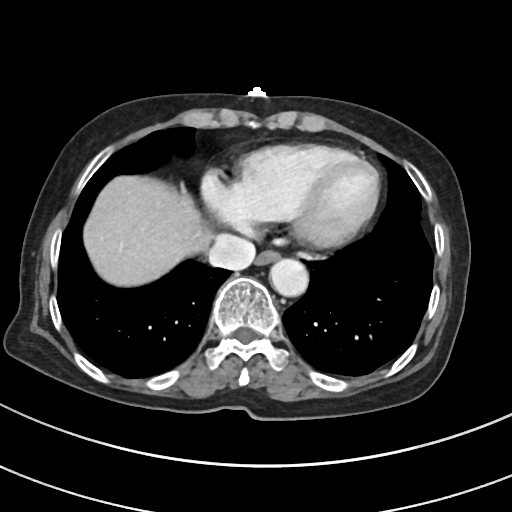

CT, abdomen/pelvis. Axial slice 186/284. soft-tissue window (W 400 / L 40)
{"organs":{"liver":[84,176,211,286],"inferior vena cava":[208,234,255,270],"esophagus":[256,250,279,264],"aorta":[270,259,308,296]}}